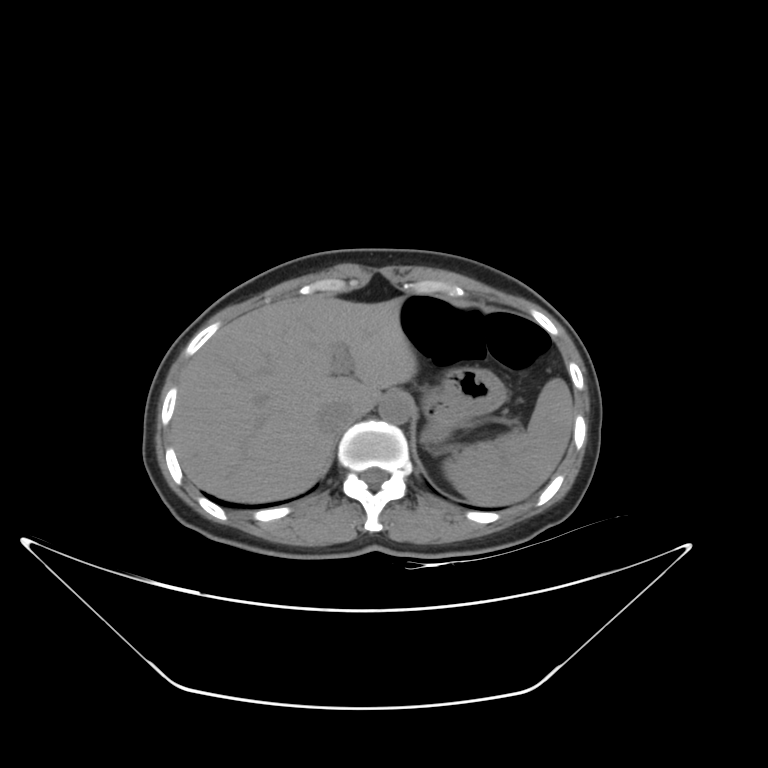

CT abdomen. axial view. Brilliance16 scanner
Coordinates as <box>x1,y1,x2,y2</box> in pixels.
spleen: <box>443,378,573,505</box>
liver: <box>171,296,417,503</box>
stomach: <box>422,368,506,443</box>
aorta: <box>379,394,412,423</box>
inferior vena cava: <box>319,403,355,433</box>